CT, abdomen/pelvis · axial view · 52-year-old female patient
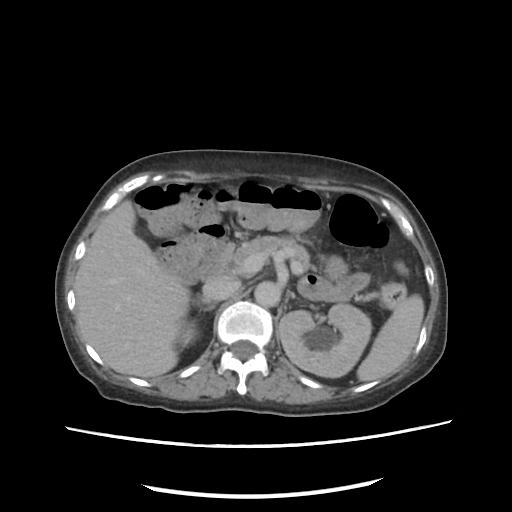

<organs><organ name="right kidney" x1="177" y1="322" x2="197" y2="346"/><organ name="left kidney" x1="279" y1="304" x2="371" y2="377"/><organ name="left adrenal gland" x1="291" y1="293" x2="294" y2="297"/><organ name="right adrenal gland" x1="194" y1="297" x2="215" y2="310"/><organ name="spleen" x1="357" y1="294" x2="424" y2="381"/><organ name="aorta" x1="254" y1="281" x2="280" y2="306"/><organ name="liver" x1="74" y1="200" x2="189" y2="377"/><organ name="duodenum" x1="196" y1="243" x2="237" y2="280"/><organ name="pancreas" x1="227" y1="236" x2="311" y2="273"/><organ name="inferior vena cava" x1="202" y1="278" x2="238" y2="300"/></organs>